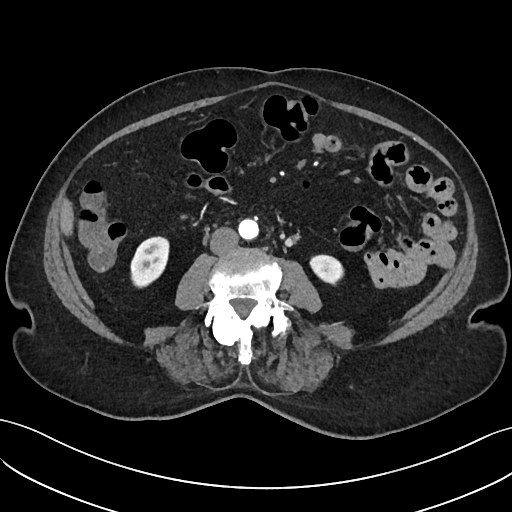
Computed tomography, abdomen; axial view; soft-tissue window; 512x512 px
Each box given as x1,y1,x2,y2. Labeled organs on this slice: aorta at x1=238, y1=219, x2=259, y2=240, liver at x1=60, y1=199, x2=73, y2=233, left kidney at x1=309, y1=255, x2=341, y2=282, right kidney at x1=129, y1=238, x2=169, y2=285, inferior vena cava at x1=210, y1=227, x2=238, y2=254.